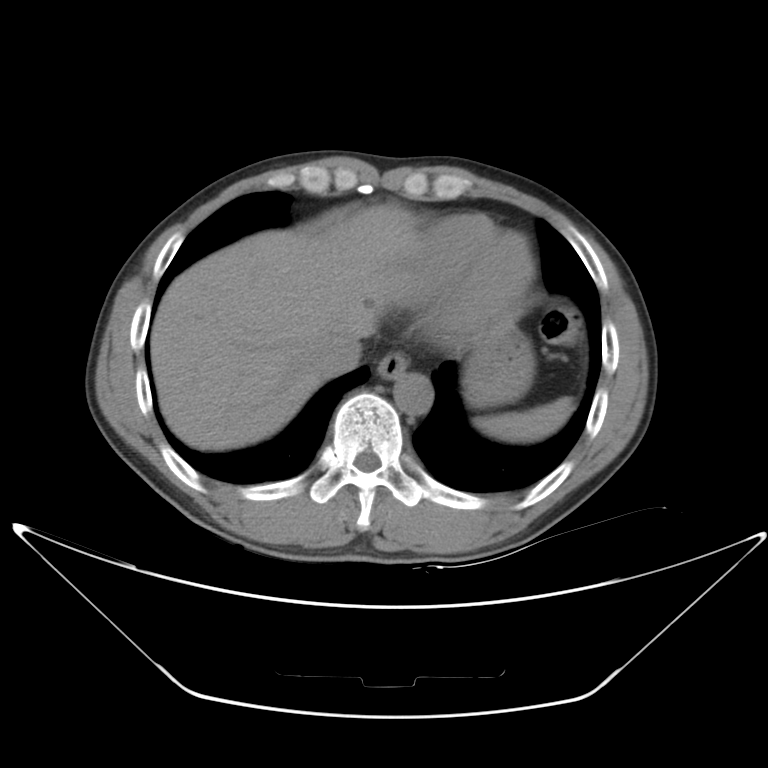 Computed tomography, abdomen; axial plane, index 84; abdomen soft-tissue window; 51-year-old male patient
<organs><organ name="esophagus" x1="376" y1="354" x2="407" y2="380"/><organ name="stomach" x1="463" y1="325" x2="532" y2="405"/><organ name="liver" x1="151" y1="202" x2="418" y2="451"/><organ name="inferior vena cava" x1="308" y1="335" x2="361" y2="378"/><organ name="spleen" x1="476" y1="398" x2="573" y2="443"/><organ name="aorta" x1="395" y1="373" x2="432" y2="413"/></organs>